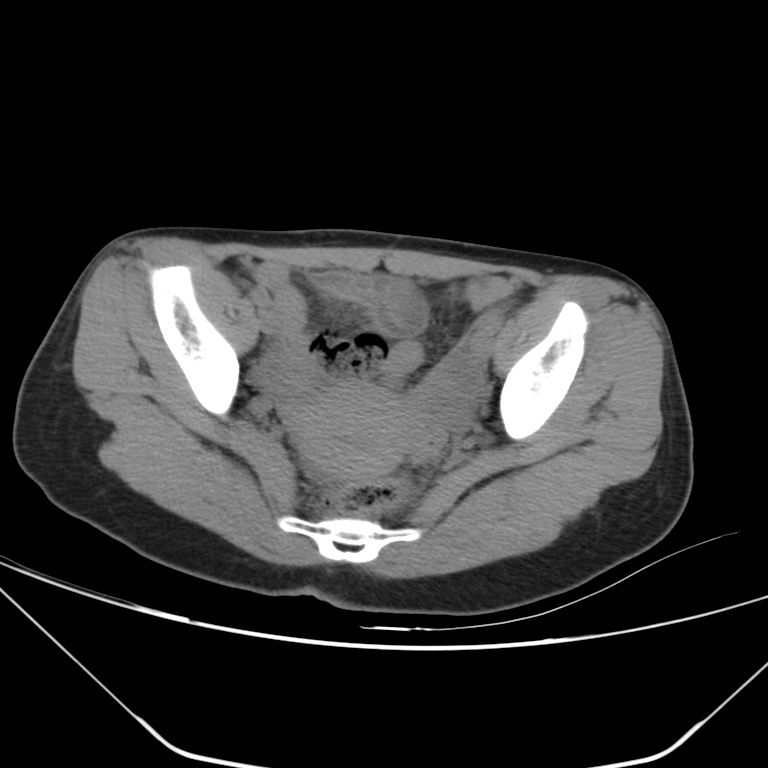

CT, abdomen/pelvis. axial plane, index 14
Box edges are left/top/right/bottom in pixels.
Organ bounding boxes:
- prostate/uterus: left=291, top=379, right=414, bottom=480